Chest-level CT slice, above the liver and spleen. axial view. soft-tissue window, W/L 400/40. 512x512 px. 49-year-old male patient
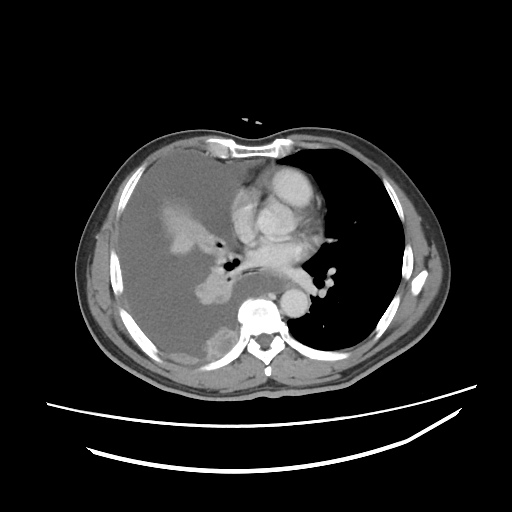

At this level of the chest this dataset labels only the esophagus and the aorta, and each is boxed only where it is labeled; the heart and lungs are never labeled.
Boxes: x1:y1:x2:y2 in pixels.
Organ bounding boxes:
- esophagus: 285:280:294:288
- aorta: 280:289:309:317